CT, abdomen/pelvis. axial view. abdomen soft-tissue window. 28-year-old female patient. Brilliance16 scanner
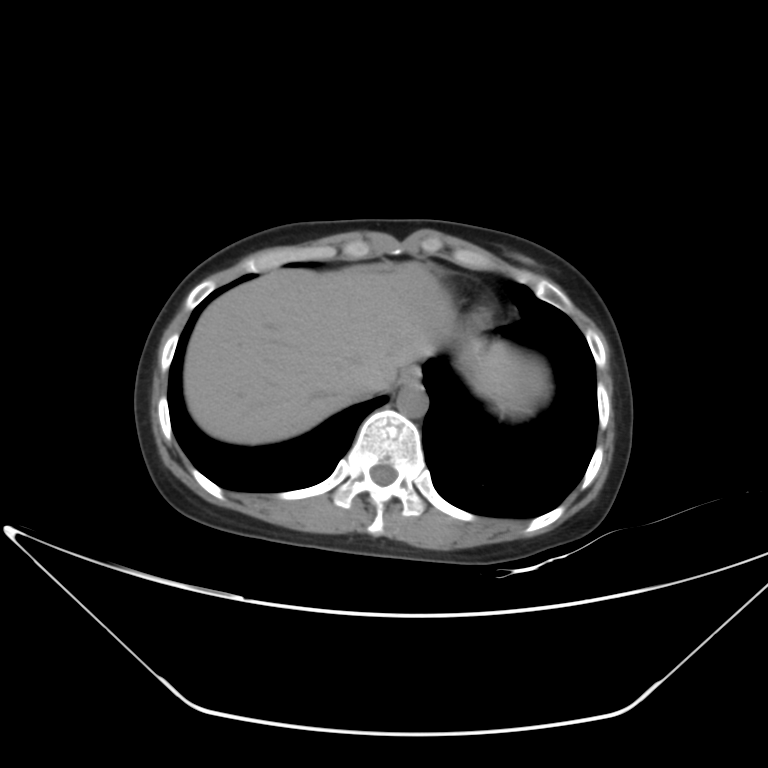
Box edges are left/top/right/bottom in pixels.
Organ bounding boxes:
- inferior vena cava: left=350, top=386, right=379, bottom=399
- liver: left=183, top=263, right=547, bottom=443
- esophagus: left=399, top=366, right=420, bottom=385
- aorta: left=397, top=385, right=428, bottom=417